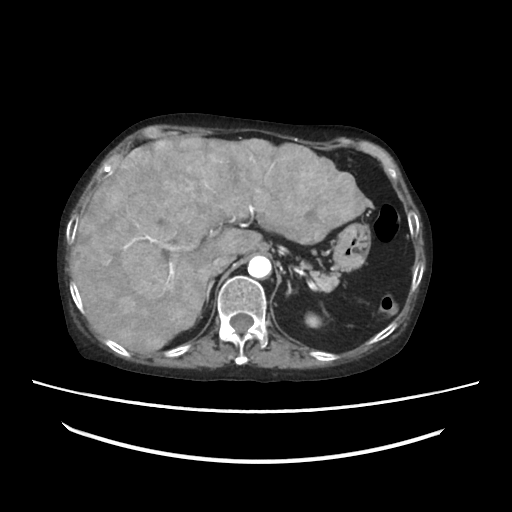 CT abdomen · axial view · W/L 400/40 HU · 61-year-old female patient · Aquilion ONE scanner
Bounding boxes as [x1, y1, x2, y2] in pixel coordinates. Labeled organs on this slice: left kidney at [305, 311, 321, 327], liver at [72, 138, 367, 354], stomach at [332, 223, 370, 268], aorta at [247, 255, 271, 277], inferior vena cava at [209, 254, 234, 276], pancreas at [301, 260, 340, 289], right adrenal gland at [205, 280, 213, 300], left adrenal gland at [287, 282, 292, 295].